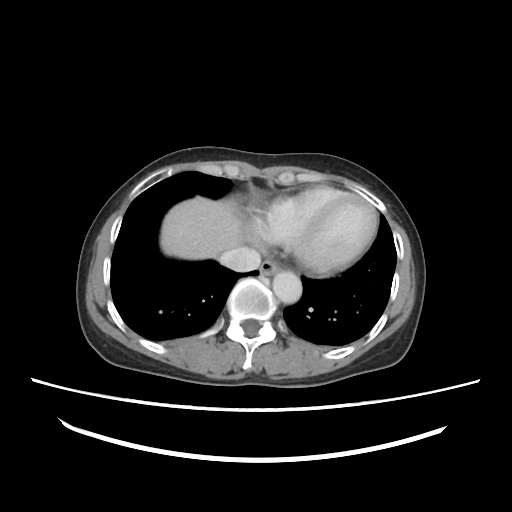

CT abdomen; axial view; 54-year-old female patient
<organs><organ name="inferior vena cava" x1="218" y1="246" x2="259" y2="272"/><organ name="aorta" x1="272" y1="271" x2="302" y2="304"/><organ name="liver" x1="161" y1="196" x2="252" y2="258"/><organ name="esophagus" x1="259" y1="259" x2="281" y2="276"/></organs>